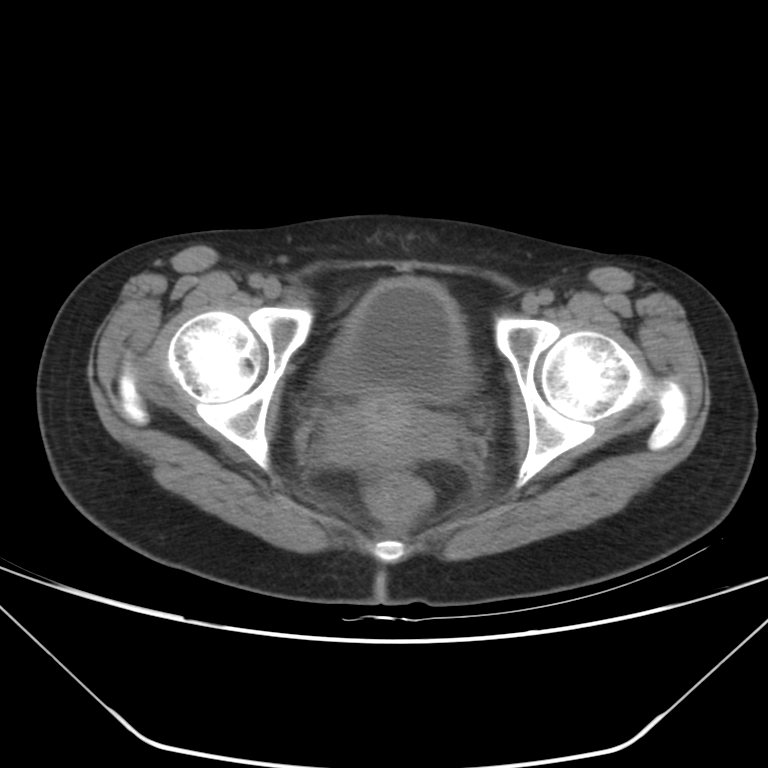 Computed tomography, abdomen — axial view — 768x768 px — Brilliance16 scanner
One row per box, in pixels: columns x1 and y1 give the top-left corner, x2 and y2 the bottom-right.
| organ | x1 | y1 | x2 | y2 |
|---|---|---|---|---|
| bladder | 320 | 279 | 473 | 402 |
| prostate/uterus | 318 | 396 | 454 | 468 |